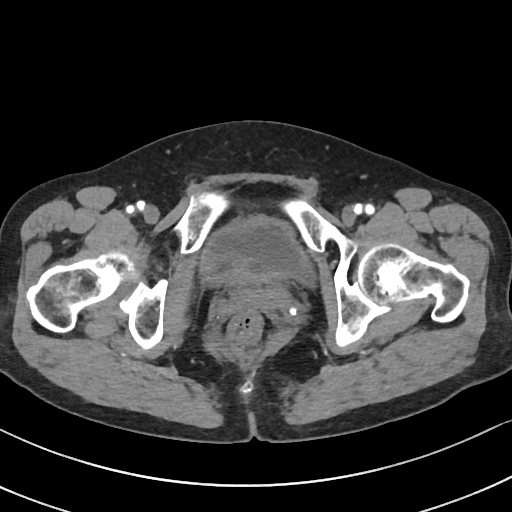

CT abdomen. axial view. soft-tissue window (W 400 / L 40). acquired on SOMATOM Force
One row per box, in pixels: columns x1 and y1 give the top-left corner, x2 and y2 the bottom-right.
| organ | x1 | y1 | x2 | y2 |
|---|---|---|---|---|
| bladder | 200 | 215 | 315 | 285 |